CT of the abdomen reaching into the lower chest, slice just above the liver and spleen. axial plane, index 102. soft-tissue window (W 400 / L 40). 46-year-old male patient
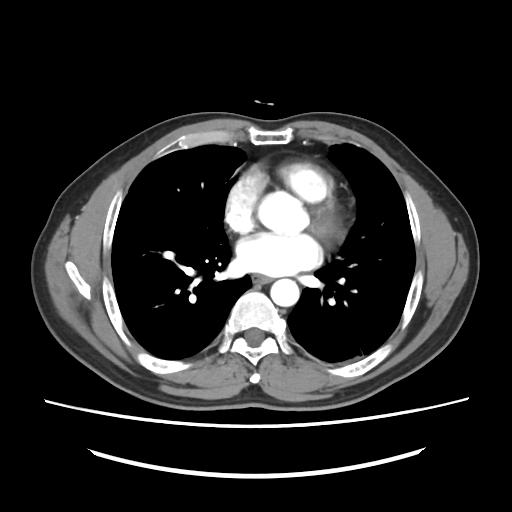

Of the structures in the chest, this dataset labels only the esophagus, the aorta and the inferior vena cava; the heart and lungs have no label. Coordinates as <box>x1,y1,x2,y2</box> in pixels. The annotated organs in this slice are: esophagus at <box>252,274,271,284</box>, aorta at <box>270,278,299,306</box>.